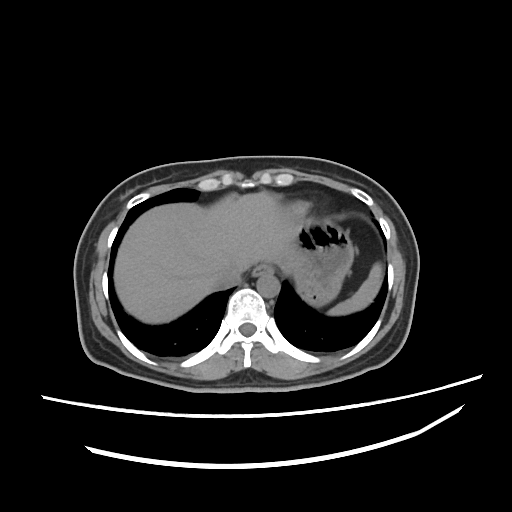 CT abdomen — axial view — abdomen soft-tissue window
<organs><organ name="spleen" x1="328" y1="261" x2="384" y2="316"/><organ name="stomach" x1="295" y1="216" x2="353" y2="306"/><organ name="esophagus" x1="253" y1="263" x2="273" y2="276"/><organ name="aorta" x1="257" y1="271" x2="279" y2="297"/><organ name="liver" x1="113" y1="192" x2="297" y2="323"/><organ name="inferior vena cava" x1="205" y1="261" x2="240" y2="289"/></organs>